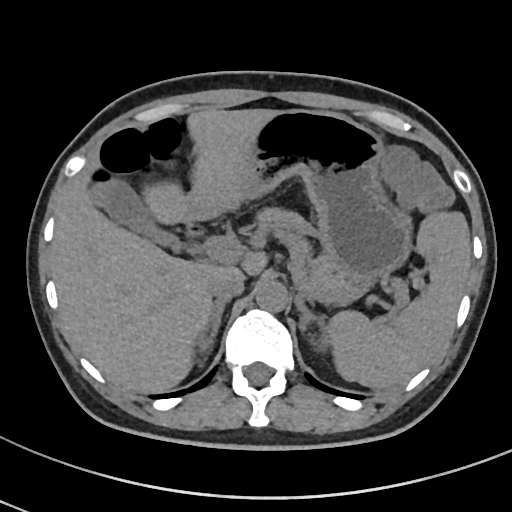 CT abdomen; axial plane, index 175; soft-tissue window (W 400 / L 40)
<organs><organ name="stomach" x1="184" y1="109" x2="409" y2="284"/><organ name="pancreas" x1="260" y1="208" x2="357" y2="296"/><organ name="left adrenal gland" x1="295" y1="296" x2="321" y2="332"/><organ name="right adrenal gland" x1="196" y1="298" x2="230" y2="347"/><organ name="liver" x1="52" y1="108" x2="280" y2="390"/><organ name="inferior vena cava" x1="209" y1="272" x2="245" y2="299"/><organ name="spleen" x1="329" y1="212" x2="471" y2="388"/><organ name="aorta" x1="255" y1="281" x2="287" y2="312"/><organ name="gall bladder" x1="92" y1="178" x2="178" y2="249"/></organs>